Computed tomography, abdomen. axial view. 512x512 px. SOMATOM Force scanner
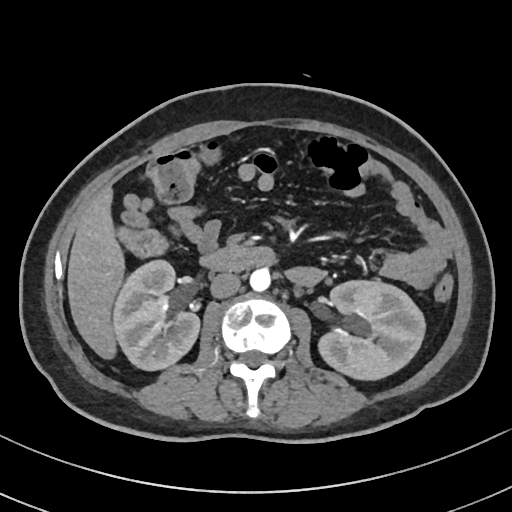 {"organs":{"right kidney":[113,260,199,370],"left kidney":[318,280,425,380],"liver":[67,186,124,359],"aorta":[249,268,270,291],"inferior vena cava":[210,272,240,298],"duodenum":[200,247,274,272]}}